Computed tomography, abdomen — axial view — soft-tissue window (W 400 / L 40) — 512x512 px — 46-year-old male patient
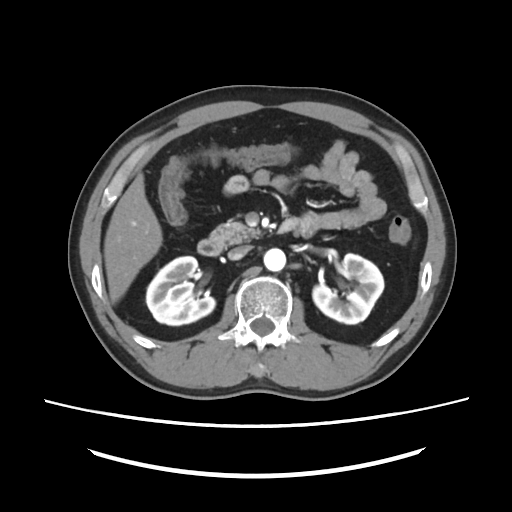

Coordinates as <box>x1,y1,x2,y2</box> in pixels.
Organ bounding boxes:
- right kidney: <box>146,256,215,325</box>
- left kidney: <box>312,254,384,324</box>
- liver: <box>104,173,162,303</box>
- aorta: <box>263,248,286,271</box>
- inferior vena cava: <box>228,246,250,259</box>
- pancreas: <box>210,221,260,247</box>
- duodenum: <box>197,239,222,255</box>